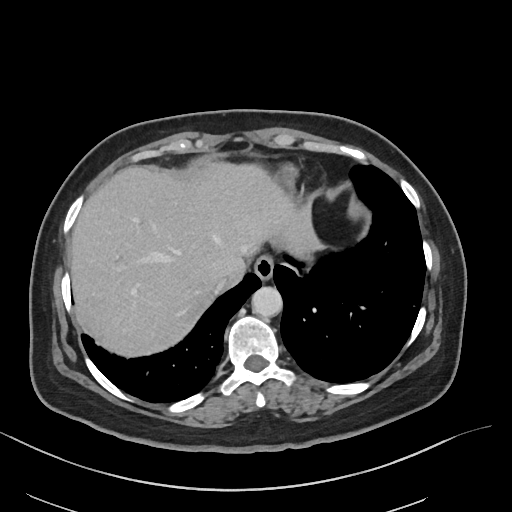 CT abdomen — axial view — 512x512 px — 15 organs annotated in this scan (that count is for the whole scan; organs this slice misses have no box)
Boxes are (x1, y1, x2, y2) in pixels. 4 labeled organs on this slice — esophagus at (254, 254, 274, 279); aorta at (251, 286, 282, 317); inferior vena cava at (214, 275, 229, 294); liver at (70, 164, 322, 356).